Abdominal CT — axial view — soft-tissue window (W 400 / L 40)
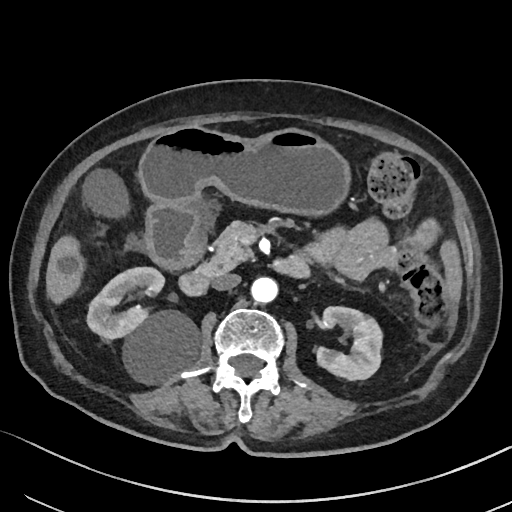 {"organs":{"right kidney":[87,267,200,383],"duodenum":[179,234,311,296],"left kidney":[317,305,382,380],"stomach":[138,127,349,268],"pancreas":[200,221,344,283],"inferior vena cava":[213,273,240,290],"gall bladder":[83,169,130,219],"aorta":[250,277,277,304],"liver":[46,234,83,302]}}